CT abdomen. axial view. abdomen soft-tissue window
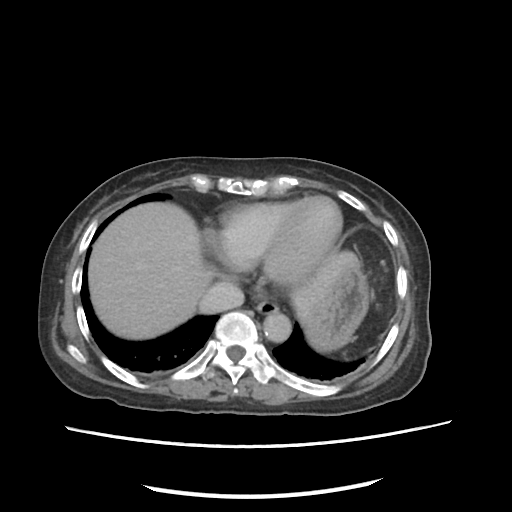

Boxes: x1 y1 x2 y2 (pixel coords, space-separated). 5 labeled organs on this slice — stomach at 305 266 369 351; inferior vena cava at 198 282 244 313; liver at 88 202 357 339; aorta at 263 312 291 342; esophagus at 256 299 278 314.